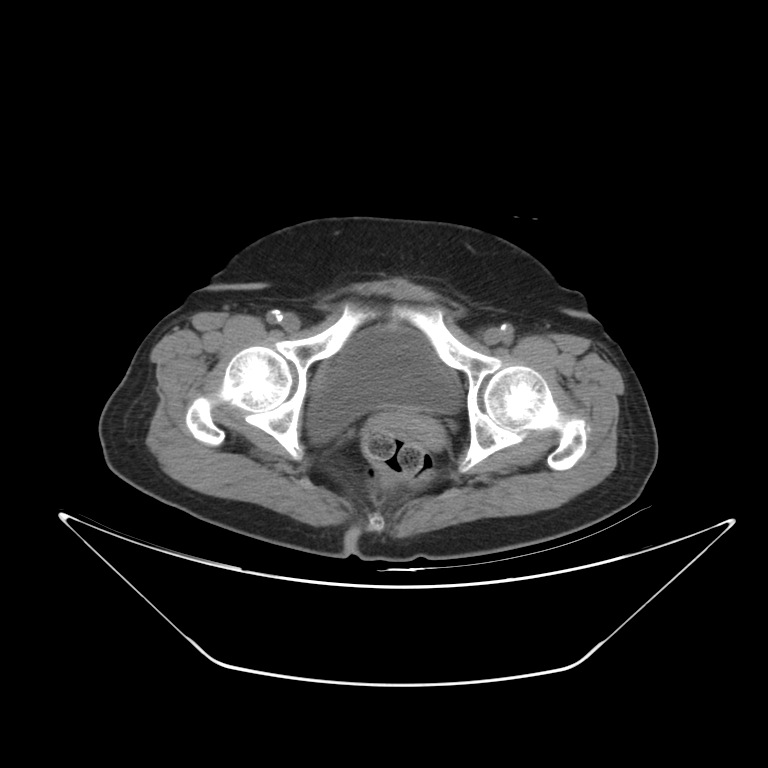

CT abdomen · axial view · 768x768 px · 15 organs annotated in this scan (a whole-scan count: organs this slice does not pass through have no box)
Organ boxes in pixel coordinates; each row gives the top-left (x1, y1) and bottom-right (x2, y2) corners.
| organ | x1 | y1 | x2 | y2 |
|---|---|---|---|---|
| prostate/uterus | 404 | 416 | 443 | 447 |
| bladder | 307 | 326 | 457 | 441 |